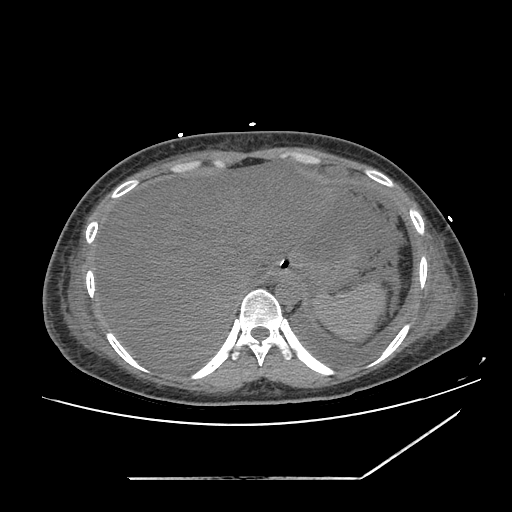 Abdominal CT. axial view. abdomen soft-tissue window
Organ boxes in pixel coordinates; each row gives the top-left (x1, y1) and bottom-right (x2, y2) corners.
| organ | x1 | y1 | x2 | y2 |
|---|---|---|---|---|
| spleen | 313 | 283 | 384 | 342 |
| esophagus | 269 | 268 | 283 | 278 |
| liver | 94 | 161 | 339 | 367 |
| stomach | 275 | 243 | 358 | 304 |
| aorta | 275 | 276 | 302 | 303 |
| inferior vena cava | 235 | 272 | 257 | 294 |